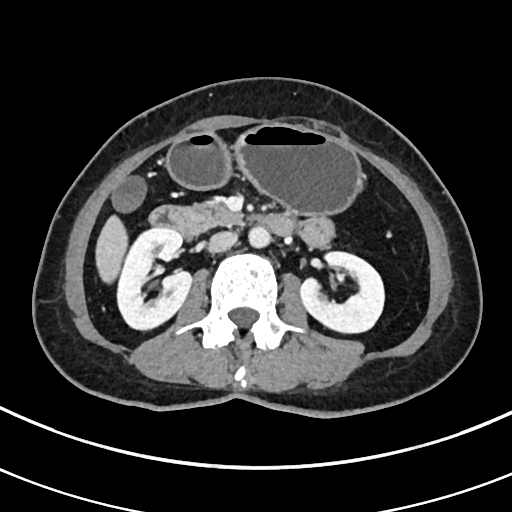

Abdominal CT. axial view. 512x512 px
Each box given as x1,y1,x2,y2.
Organ bounding boxes:
- right kidney: x1=118, y1=227, x2=193, y2=329
- left kidney: x1=301, y1=250, x2=384, y2=331
- gall bladder: x1=113, y1=178, x2=143, y2=210
- liver: x1=97, y1=216, x2=127, y2=282
- stomach: x1=165, y1=123, x2=360, y2=213
- aorta: x1=248, y1=225, x2=270, y2=246
- inferior vena cava: x1=208, y1=231, x2=237, y2=251
- pancreas: x1=194, y1=201, x2=235, y2=227
- duodenum: x1=151, y1=205, x2=290, y2=235